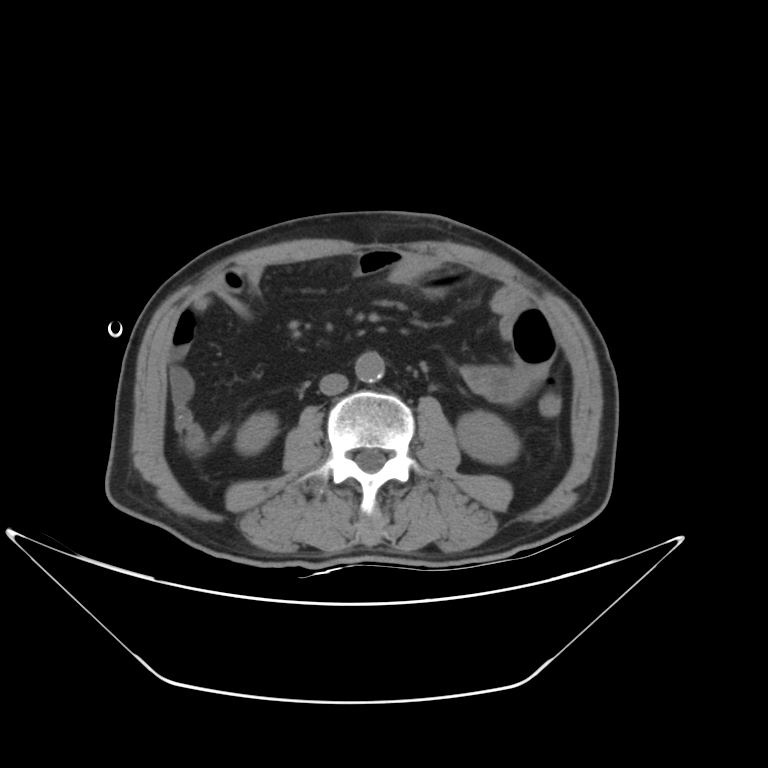 Abdominal CT; axial view; soft-tissue window (W 400 / L 40)
Boxes: x1 y1 x2 y2 (pixel coords, space-separated).
Organ bounding boxes:
- right kidney: 235 413 276 454
- inferior vena cava: 319 374 347 394
- left kidney: 456 411 519 463
- aorta: 355 351 384 383